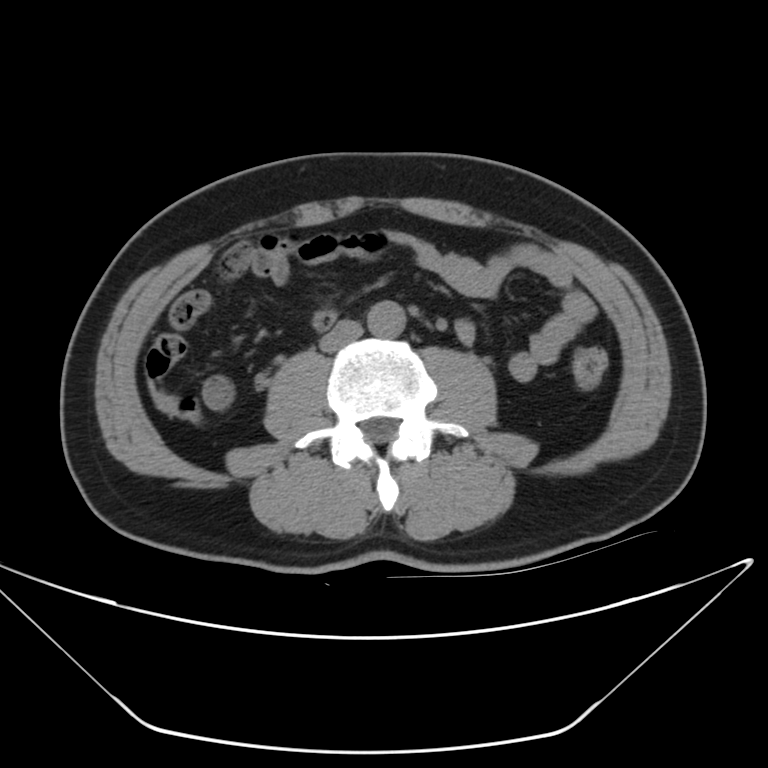 CT abdomen; axial view; abdomen soft-tissue window; 768x768 px
Bounding boxes as [x1, y1, x2, y2] in pixel coordinates.
inferior vena cava: [321, 322, 363, 351]
aorta: [366, 300, 405, 336]